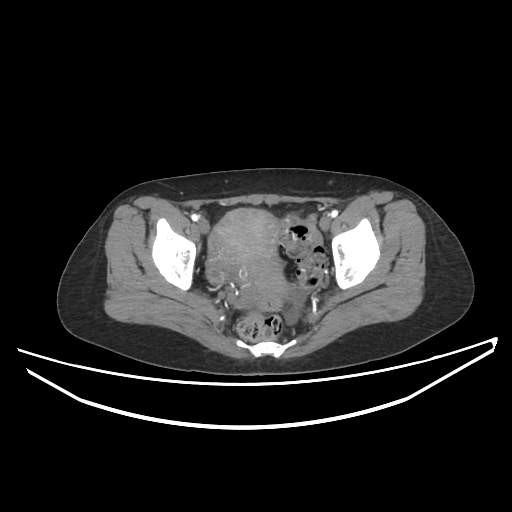
Computed tomography, abdomen. axial view. W/L 400/40 HU. 512x512 px. 37-year-old female patient
Bounding boxes in pixels, one row per box: x1, y1 is the top-left corner and x2, y2 the bottom-right.
| organ | x1 | y1 | x2 | y2 |
|---|---|---|---|---|
| prostate/uterus | 208 | 208 | 288 | 303 |